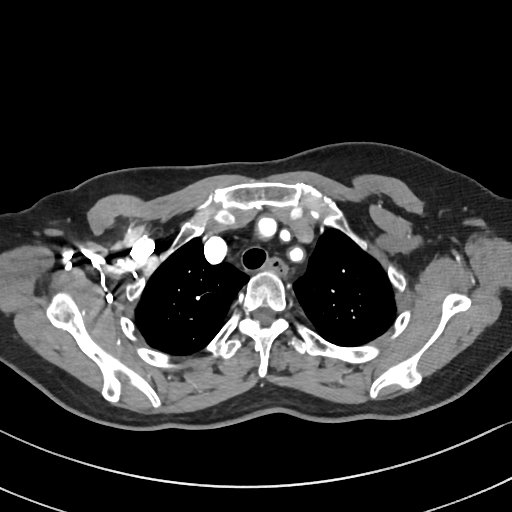

Chest-level CT slice, above the liver and spleen. axial view. 512x512 px
At this level of the chest this dataset labels only the esophagus and the aorta, and each is boxed only where it is labeled; the heart and lungs are never labeled. Boxes: x1 y1 x2 y2 (pixel coords, space-separated). The annotated organs in this slice are: esophagus at 262 259 287 273.